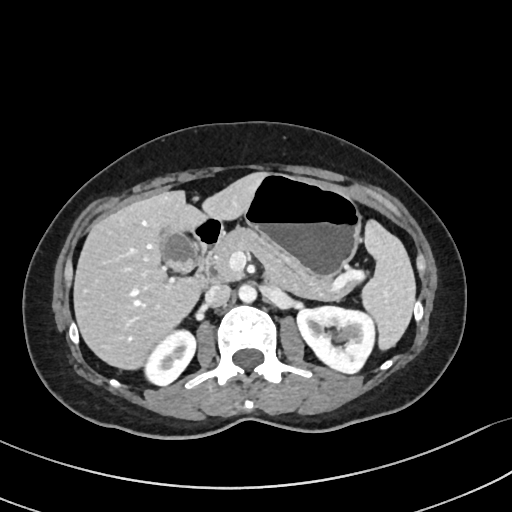 CT abdomen — axial plane, index 133
<organs><organ name="spleen" x1="361" y1="220" x2="415" y2="350"/><organ name="right kidney" x1="144" y1="330" x2="195" y2="385"/><organ name="left kidney" x1="297" y1="306" x2="374" y2="373"/><organ name="gall bladder" x1="159" y1="227" x2="198" y2="271"/><organ name="liver" x1="73" y1="172" x2="266" y2="369"/><organ name="stomach" x1="244" y1="174" x2="361" y2="277"/><organ name="aorta" x1="238" y1="284" x2="256" y2="302"/><organ name="inferior vena cava" x1="205" y1="283" x2="231" y2="306"/><organ name="pancreas" x1="210" y1="227" x2="356" y2="300"/><organ name="duodenum" x1="194" y1="219" x2="222" y2="288"/></organs>